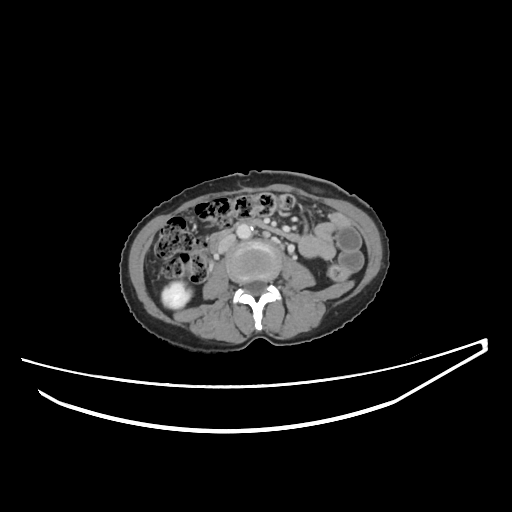 Abdominal CT; Axial slice 48/116; 62-year-old female patient; Aquilion ONE scanner
Boxes are (x1, y1, x2, y2) in pixels.
right kidney: (161, 281, 191, 308)
aorta: (236, 224, 253, 239)
inferior vena cava: (217, 234, 235, 253)
duodenum: (210, 218, 299, 250)